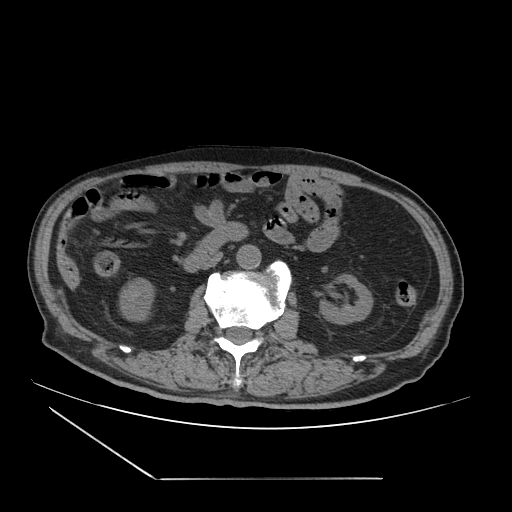

CT, abdomen/pelvis. axial plane, index 112. scan has 15 labeled organs (counted over the whole 3D scan, not this slice; an organ is boxed only where this slice passes through it)
Boxes: x1 y1 x2 y2 (pixel coords, space-separated). Labeled organs on this slice: right kidney at 119 278 153 321, left kidney at 319 274 372 324, aorta at 236 244 261 269, duodenum at 184 220 247 271, inferior vena cava at 202 252 222 269.